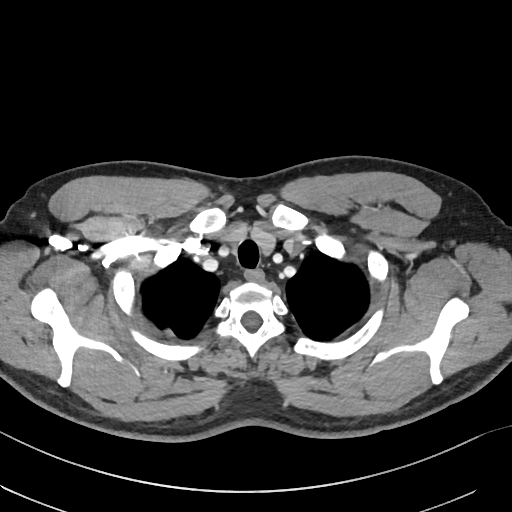 CT of the abdomen extending into the chest, slice through the chest. axial view. W/L 400/40 HU
On a slice this high in the chest, this dataset labels only the esophagus and the aorta, and each is boxed only where it is labeled; the heart, lungs and other chest structures are not labeled.
{"organs":{"esophagus":[245,267,264,282]}}